Abdominal MRI · axial view · 576x468 px
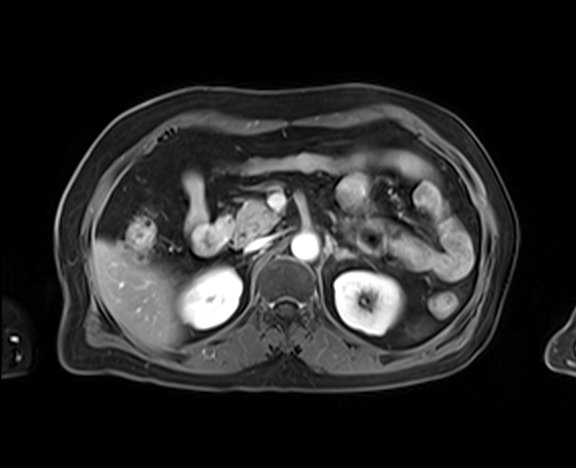 {"organs":{"right kidney":[179,267,242,329],"left kidney":[334,271,403,334],"liver":[91,239,182,348],"aorta":[291,233,319,261],"inferior vena cava":[245,237,272,252],"pancreas":[232,199,279,241],"left adrenal gland":[335,247,355,259],"duodenum":[194,215,234,254]}}